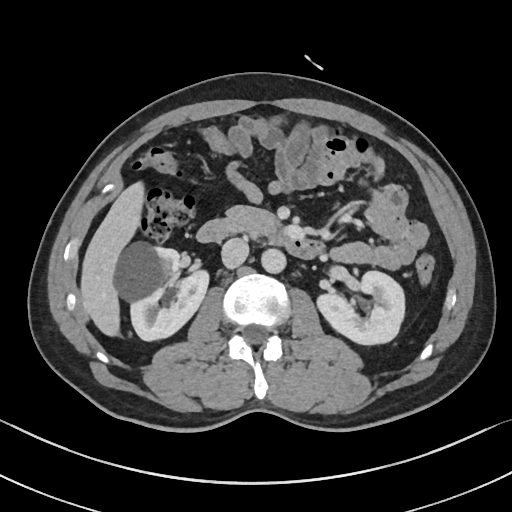 CT abdomen · axial view · soft-tissue window (W 400 / L 40) · SOMATOM Force scanner
Bounding boxes as [x1, y1, x2, y2] in pixel coordinates.
right kidney: [116, 242, 208, 340]
left kidney: [317, 271, 404, 345]
liver: [80, 182, 144, 336]
aorta: [261, 248, 286, 273]
inferior vena cava: [221, 238, 248, 268]
pancreas: [224, 205, 277, 237]
duodenum: [196, 219, 324, 258]